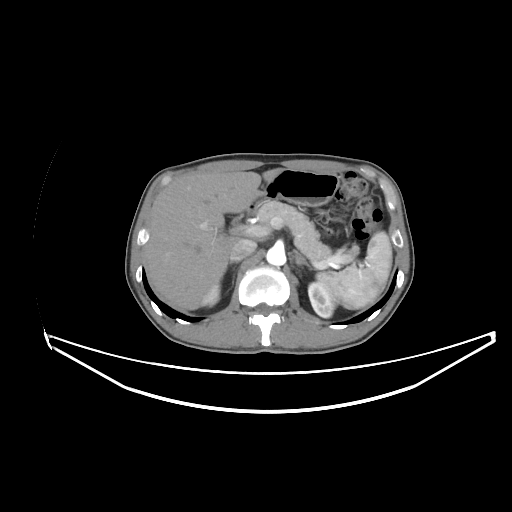 Abdominal CT; axial view; 52-year-old male patient
Organ boxes in pixel coordinates; each row gives the top-left (x1, y1) and bottom-right (x2, y2) corners.
| organ | x1 | y1 | x2 | y2 |
|---|---|---|---|---|
| spleen | 316 | 231 | 392 | 309 |
| right kidney | 203 | 285 | 219 | 306 |
| left kidney | 308 | 281 | 339 | 317 |
| gall bladder | 234 | 219 | 236 | 221 |
| liver | 147 | 168 | 283 | 309 |
| stomach | 254 | 169 | 339 | 206 |
| aorta | 266 | 246 | 285 | 265 |
| inferior vena cava | 230 | 239 | 256 | 261 |
| pancreas | 257 | 201 | 358 | 264 |
| right adrenal gland | 229 | 261 | 234 | 285 |
| left adrenal gland | 294 | 251 | 311 | 269 |
| duodenum | 248 | 204 | 256 | 212 |